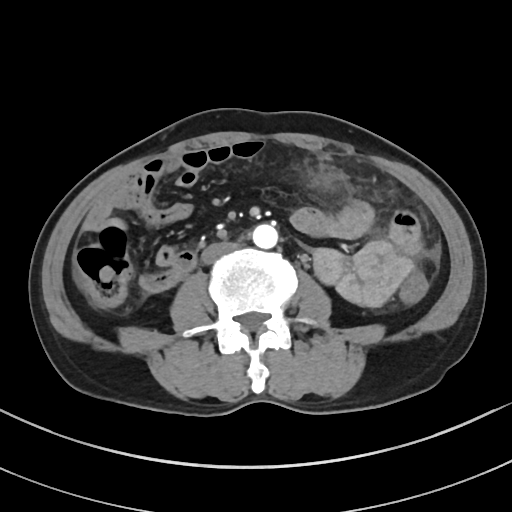
Abdominal CT; Axial slice 47/89; soft-tissue window (W 400 / L 40); SOMATOM Force scanner; scan has 15 labeled organs (a whole-scan count: organs this slice does not pass through have no box)
{"organs":{"aorta":[252,224,277,248],"inferior vena cava":[201,242,237,263]}}